CT abdomen. axial view
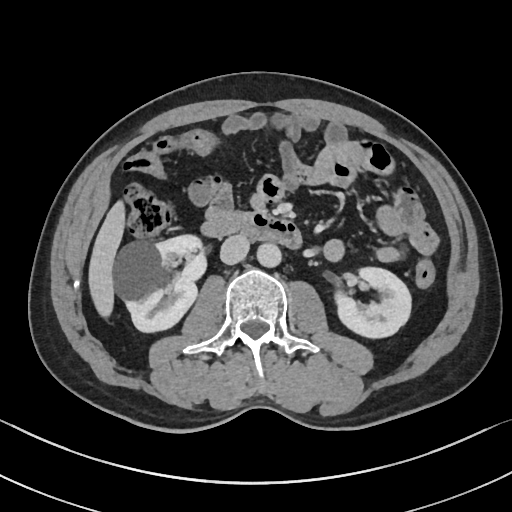 Boxes are (x1, y1, x2, y2) in pixels.
Organ bounding boxes:
- right kidney: (115, 234, 206, 332)
- left kidney: (335, 267, 411, 338)
- liver: (88, 201, 125, 317)
- aorta: (256, 242, 281, 267)
- inferior vena cava: (220, 235, 249, 264)
- duodenum: (201, 212, 302, 248)